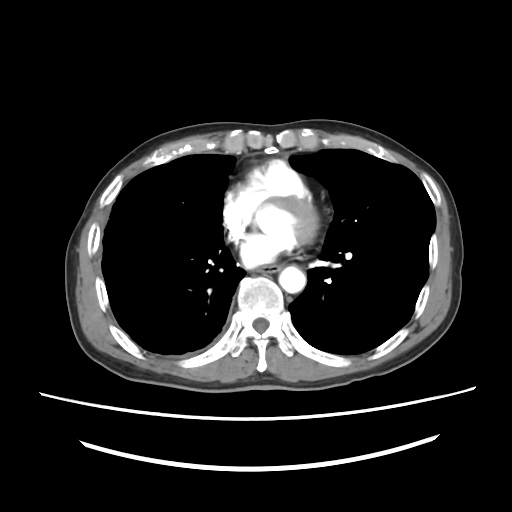

Lower-chest slice from an abdominal CT, just above the liver and spleen; axial view; 65-year-old male patient; scan has 15 labeled organs (that count is for the whole scan; organs this slice misses have no box)
The heart and lungs are never labeled in this dataset, so they have no box on this slice.
{"organs":{"aorta":[279,266,305,293],"esophagus":[257,264,281,272]}}